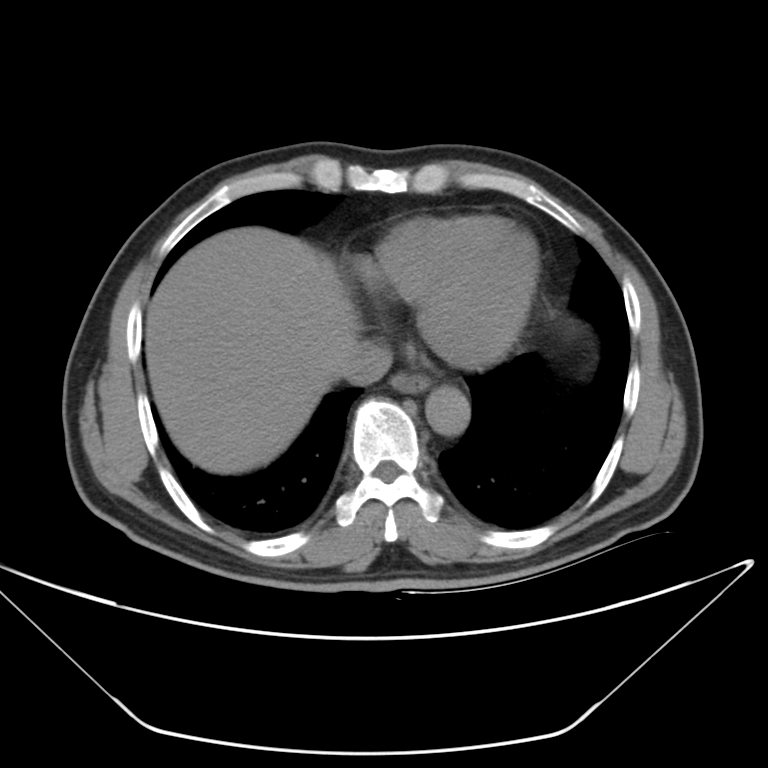

Abdominal CT — axial view — 768x768 px
Each box given as x1,y1,x2,y2.
Organ bounding boxes:
- liver: x1=144, y1=226, x2=359, y2=475
- inferior vena cava: x1=339, y1=340, x2=389, y2=383
- aorta: x1=426, y1=388, x2=467, y2=435
- esophagus: x1=389, y1=371, x2=428, y2=392